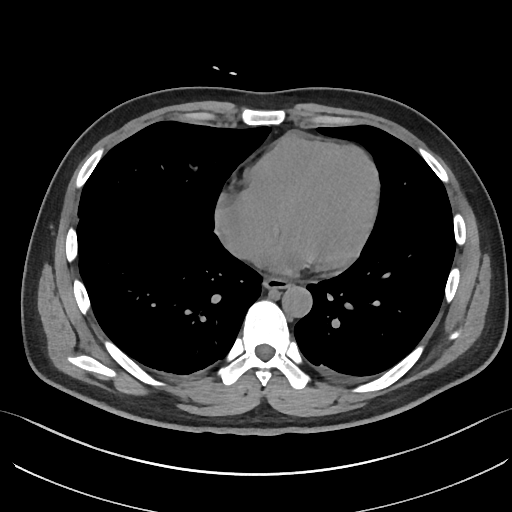 Lower-chest slice from an abdominal CT, just above the liver and spleen; Axial slice 230/234
The heart and lungs are never labeled in this dataset, so they have no box on this slice.
Boxes are (x1, y1, x2, y2) in pixels.
aorta: (281, 286, 312, 317)
esophagus: (262, 278, 289, 290)